CT abdomen · axial view · 512x512 px · 15 organs annotated in this scan (counted over the whole 3D scan, not this slice; an organ is boxed only where this slice passes through it)
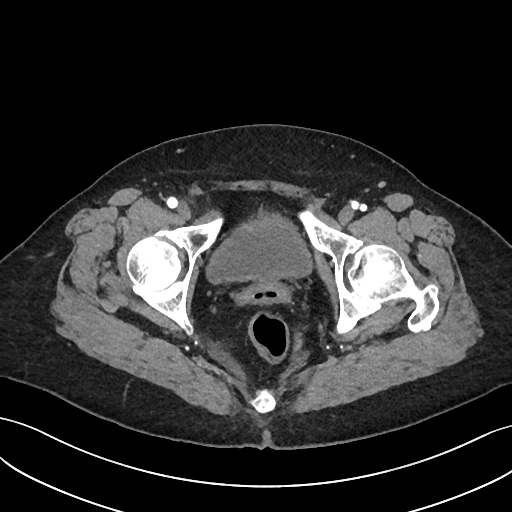
{"organs":{"bladder":[208,215,311,282]}}